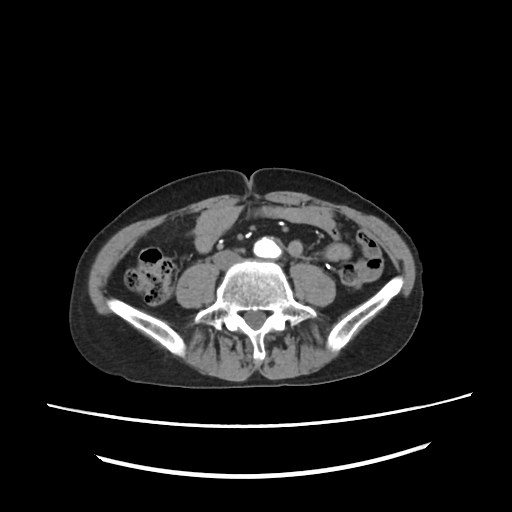

CT, abdomen/pelvis; axial view; acquired on Aquilion ONE
<organs><organ name="inferior vena cava" x1="213" y1="252" x2="238" y2="266"/><organ name="aorta" x1="255" y1="236" x2="279" y2="256"/></organs>